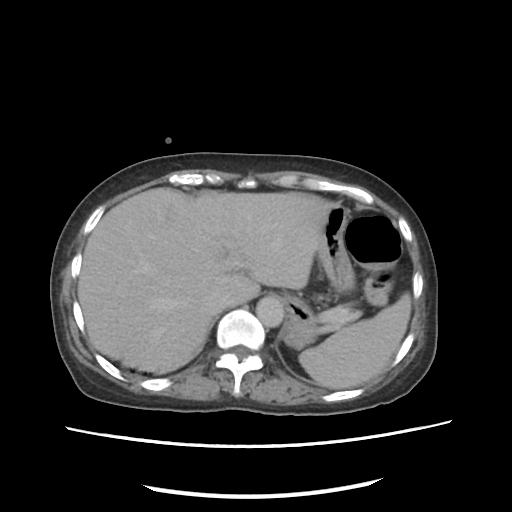 Abdominal CT — axial view — W/L 400/40 HU
{"organs":{"spleen":[299,293,411,389],"liver":[77,187,332,371],"stomach":[283,206,354,348],"aorta":[256,296,284,327],"inferior vena cava":[205,293,228,314]}}